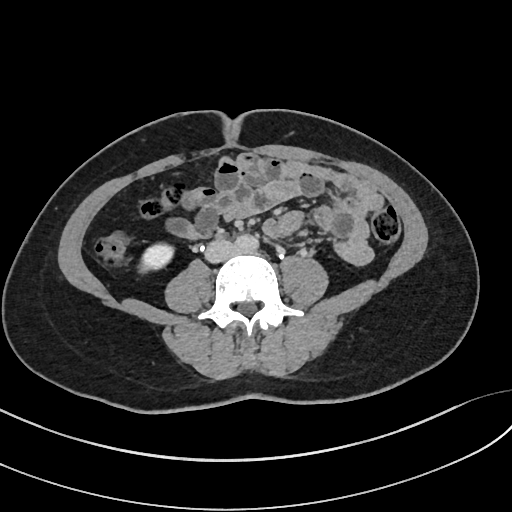 Computed tomography, abdomen. axial plane, index 113. W/L 400/40 HU
Boxes: x1:y1:x2:y2 in pixels. 3 labeled organs on this slice — right kidney at 139:243:173:272; aorta at 235:235:258:252; inferior vena cava at 204:239:237:262.